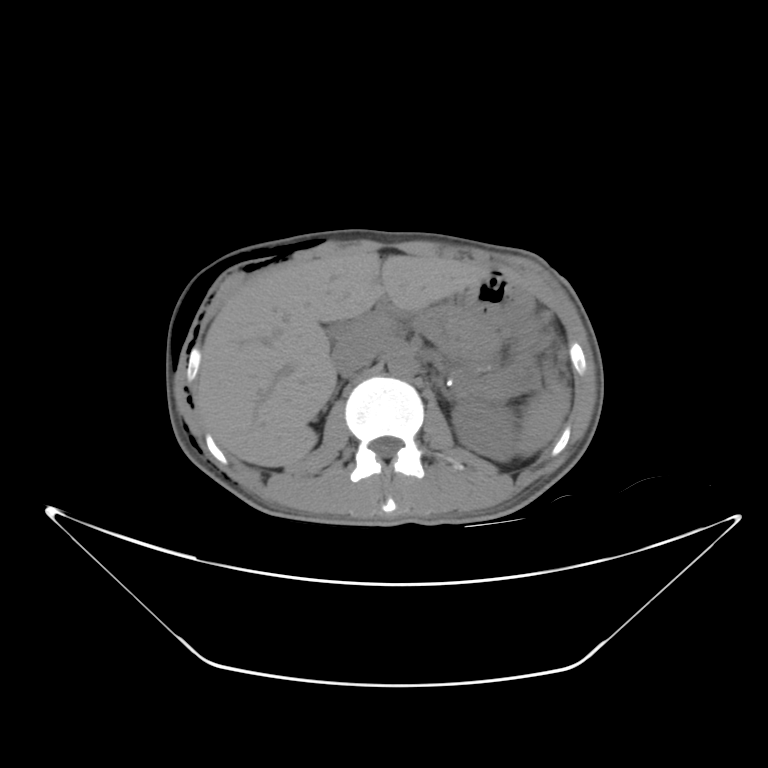 CT abdomen; axial plane, index 66; 15 organs annotated in this scan (that count is for the whole scan; organs this slice misses have no box)
{"organs":{"spleen":[518,386,570,455],"left kidney":[453,400,516,464],"liver":[198,253,491,467],"stomach":[464,272,532,324],"aorta":[387,355,416,378],"inferior vena cava":[330,346,382,373],"pancreas":[428,306,496,356],"right adrenal gland":[318,381,343,418]}}